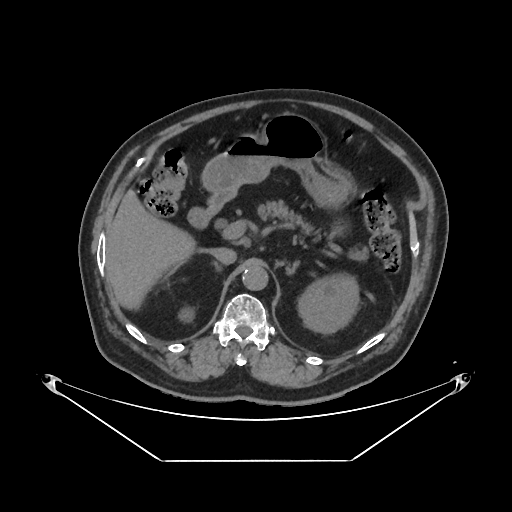 CT abdomen; axial view; soft-tissue window; 512x512 px
Boxes: x1:y1:x2:y2 in pixels.
Organ bounding boxes:
- right kidney: 180:310:192:319
- left kidney: 298:276:358:333
- liver: 106:189:196:309
- stomach: 202:113:356:237
- aorta: 242:265:268:290
- inferior vena cava: 209:248:236:264
- pancreas: 258:200:366:260
- left adrenal gland: 285:262:297:275
- duodenum: 188:193:227:227